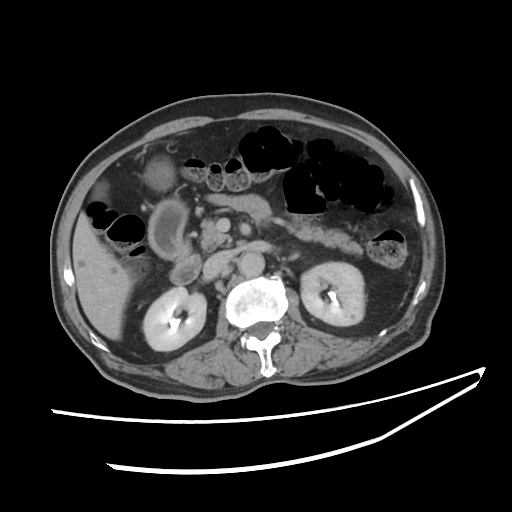

CT abdomen · Axial slice 67/91 · 512x512 px
Bounding boxes in pixels, one row per box: x1, y1 is the top-left corner and x2, y2 the bottom-right.
| organ | x1 | y1 | x2 | y2 |
|---|---|---|---|---|
| right kidney | 141 | 286 | 206 | 350 |
| left kidney | 301 | 261 | 365 | 325 |
| gall bladder | 94 | 181 | 108 | 199 |
| liver | 72 | 211 | 131 | 339 |
| stomach | 143 | 158 | 188 | 258 |
| aorta | 237 | 252 | 263 | 276 |
| inferior vena cava | 205 | 252 | 227 | 276 |
| pancreas | 201 | 209 | 363 | 254 |
| duodenum | 161 | 241 | 200 | 284 |